CT abdomen. Axial slice 74/78. soft-tissue window. 47-year-old female patient
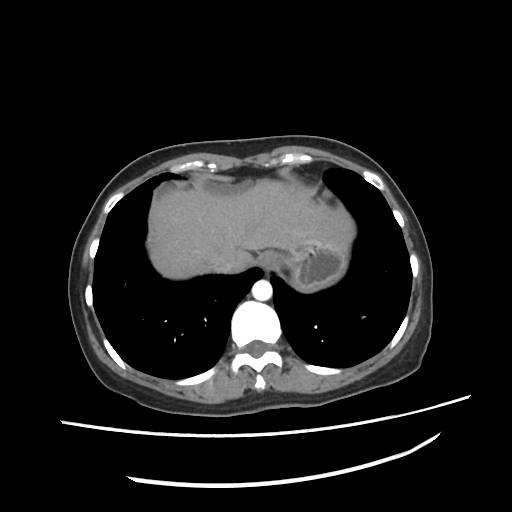 Boxes: x1:y1:x2:y2 in pixels.
Organ bounding boxes:
- esophagus: 255:250:284:269
- liver: 147:179:355:277
- stomach: 283:246:347:291
- aorta: 251:280:272:300
- inferior vena cava: 212:254:236:272